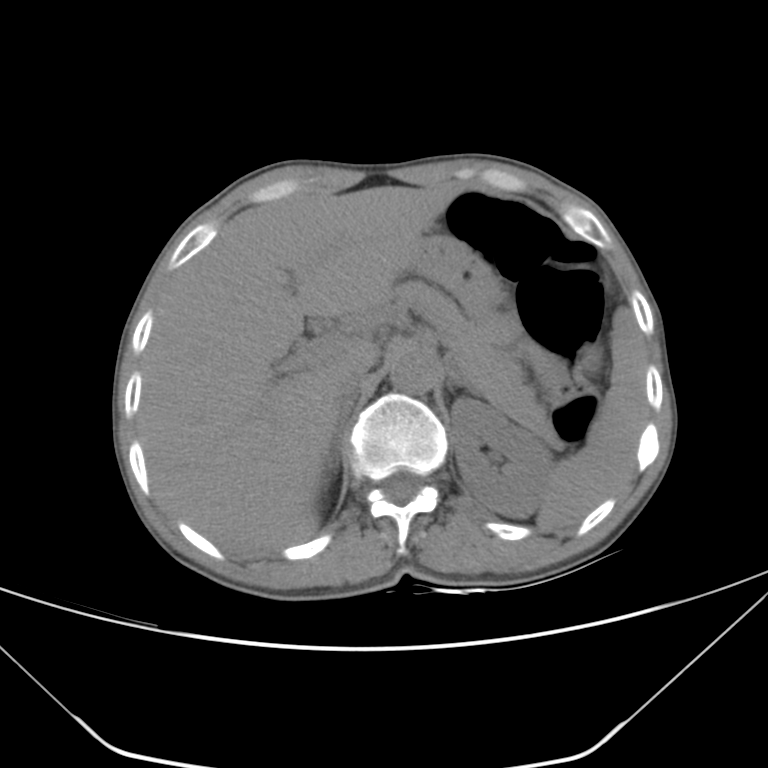
CT, abdomen/pelvis. axial view
Each box given as x1,y1,x2,y2.
spleen: x1=537, y1=307, x2=646, y2=531
left kidney: x1=451, y1=397, x2=554, y2=517
liver: x1=138, y1=186, x2=460, y2=554
stomach: x1=413, y1=233, x2=502, y2=318
aorta: x1=389, y1=344, x2=438, y2=393
inferior vena cava: x1=339, y1=364, x2=368, y2=395
pancreas: x1=392, y1=280, x2=559, y2=445
right adrenal gland: x1=327, y1=391, x2=356, y2=470
left adrenal gland: x1=447, y1=362, x2=479, y2=395